CT abdomen · axial plane, index 11 · 512x512 px · 65-year-old male patient
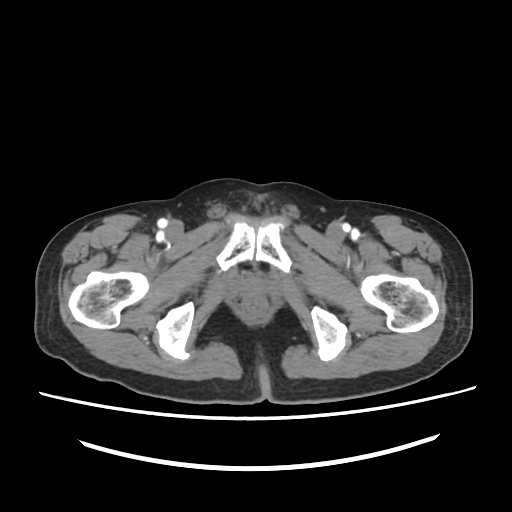 <organs><organ name="prostate/uterus" x1="240" y1="279" x2="265" y2="297"/></organs>